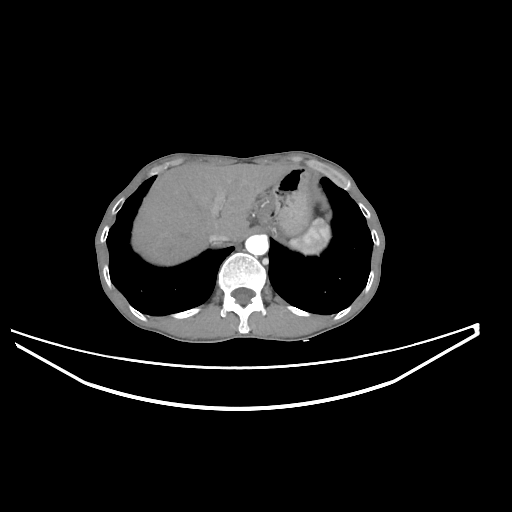

CT, abdomen/pelvis. axial view. 60-year-old male patient
{"organs":{"inferior vena cava":[208,228,229,242],"stomach":[255,167,311,235],"liver":[132,163,285,265],"spleen":[289,218,330,254],"aorta":[245,235,268,255]}}